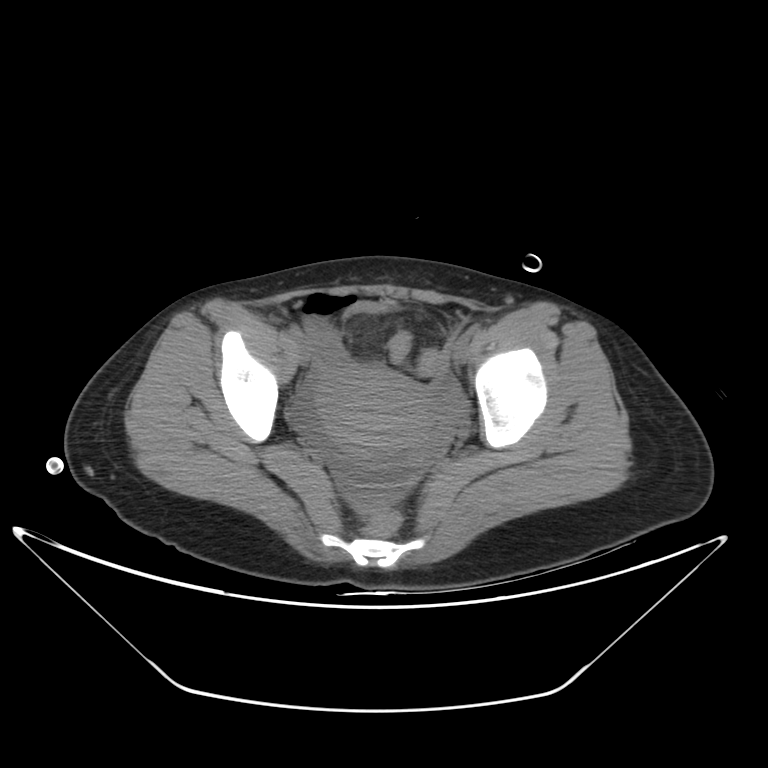
Abdominal CT · axial view
Bounding boxes in pixels, one row per box: x1, y1 is the top-left corner and x2, y2 the bottom-right.
| organ | x1 | y1 | x2 | y2 |
|---|---|---|---|---|
| prostate/uterus | 314 | 367 | 437 | 461 |
| bladder | 350 | 303 | 386 | 312 |